Abdominal MR. axial view. percentile-normalized. Prisma scanner
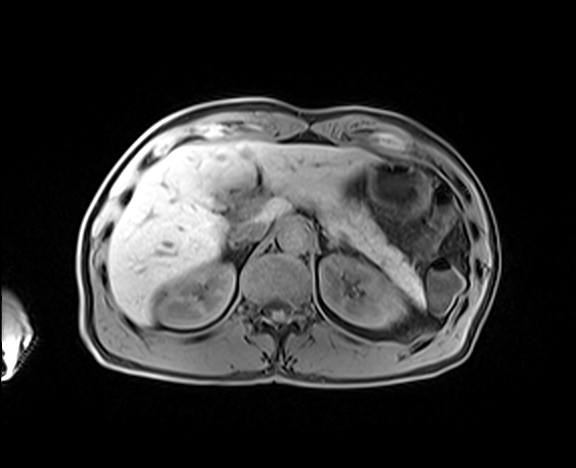 Boxes: x1:y1:x2:y2 in pixels.
right kidney: 157:263:234:327
left kidney: 319:255:404:327
liver: 107:141:377:324
stomach: 366:160:430:221
aorta: 278:221:310:251
inferior vena cava: 231:220:268:243
pancreas: 319:195:426:309
left adrenal gland: 322:230:344:250